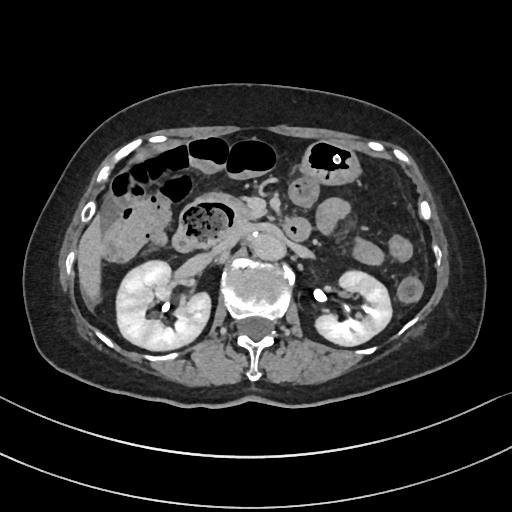 Computed tomography, abdomen. Axial slice 143/212. soft-tissue window (W 400 / L 40)
{"organs":{"right kidney":[117,261,211,351],"left kidney":[312,268,391,346],"liver":[77,212,100,300],"stomach":[297,140,362,185],"aorta":[250,234,281,259],"inferior vena cava":[212,227,245,254],"pancreas":[207,193,253,222],"duodenum":[170,195,312,250]}}